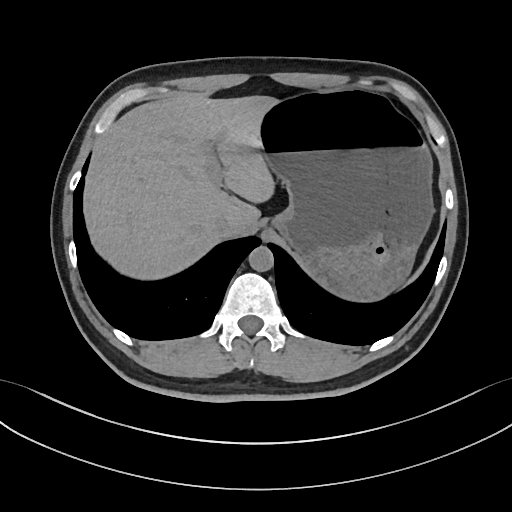
Computed tomography, abdomen — axial view
Boxes are (x1, y1, x2, y2) in pixels. Labeled organs on this slice: liver at (85, 96, 280, 277), stomach at (262, 90, 432, 301), aorta at (248, 246, 273, 271), inferior vena cava at (213, 213, 231, 235).